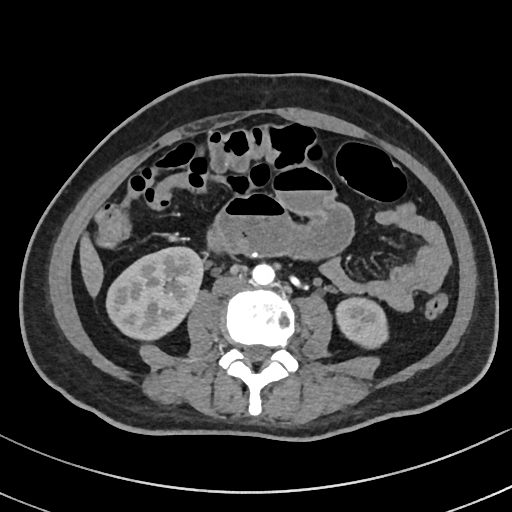

Computed tomography, abdomen · axial plane, index 98 · SOMATOM Force scanner
Boxes: x1 y1 x2 y2 (pixel coords, space-separated).
Organ bounding boxes:
- liver: 78 233 104 299
- inferior vena cava: 212 274 245 295
- right kidney: 105 246 203 338
- left kidney: 335 296 387 348
- aorta: 252 263 275 285